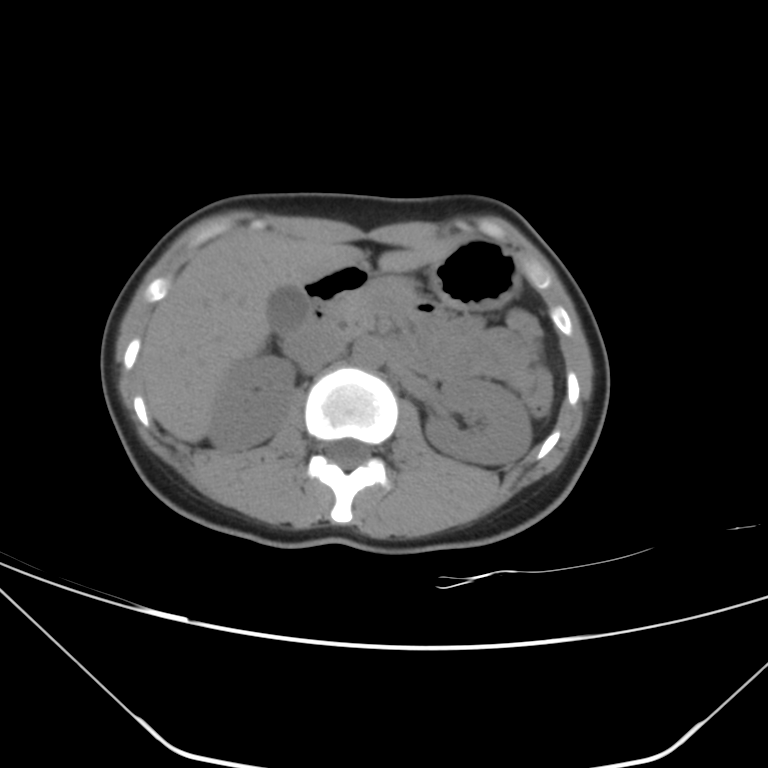 Abdominal CT · axial plane, index 52
Boxes: x1:y1:x2:y2 in pixels. The annotated organs in this slice are: right kidney at 209:356:294:451, left kidney at 425:378:531:465, gall bladder at 268:286:310:332, liver at 140:231:444:441, stomach at 428:238:520:310, aorta at 352:338:384:368, inferior vena cava at 285:330:348:368, pancreas at 333:276:418:332, duodenum at 295:266:368:334.